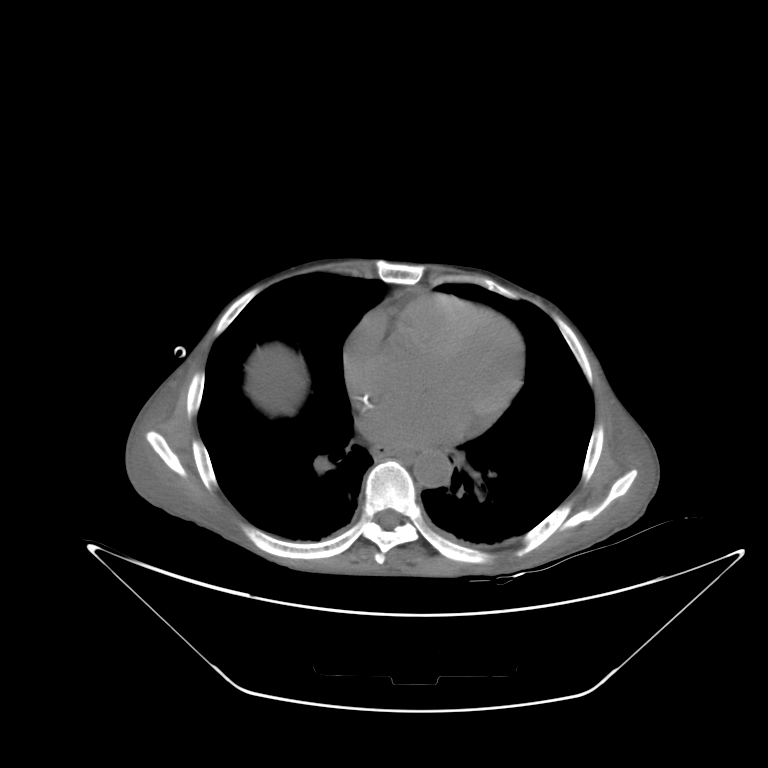 Lower-chest slice from an abdominal CT, just above the liver and spleen. Axial slice 105/108. scan has 15 labeled organs (counted over the whole 3D scan, not this slice; an organ is boxed only where this slice passes through it)
No part of the heart or lungs is labeled in this dataset, so neither has a box here.
Organ boxes in pixel coordinates; each row gives the top-left (x1, y1) and bottom-right (x2, y2) corners.
| organ | x1 | y1 | x2 | y2 |
|---|---|---|---|---|
| esophagus | 372 | 445 | 415 | 461 |
| aorta | 413 | 451 | 452 | 487 |